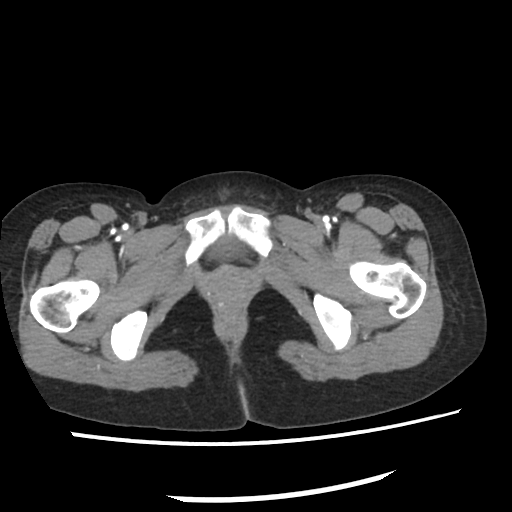 Computed tomography, abdomen — axial view — W/L 400/40 HU — 512x512 px — 34-year-old female patient
Bounding boxes in pixels, one row per box: x1, y1 is the top-left corner and x2, y2 the bottom-right.
| organ | x1 | y1 | x2 | y2 |
|---|---|---|---|---|
| bladder | 217 | 238 | 236 | 251 |